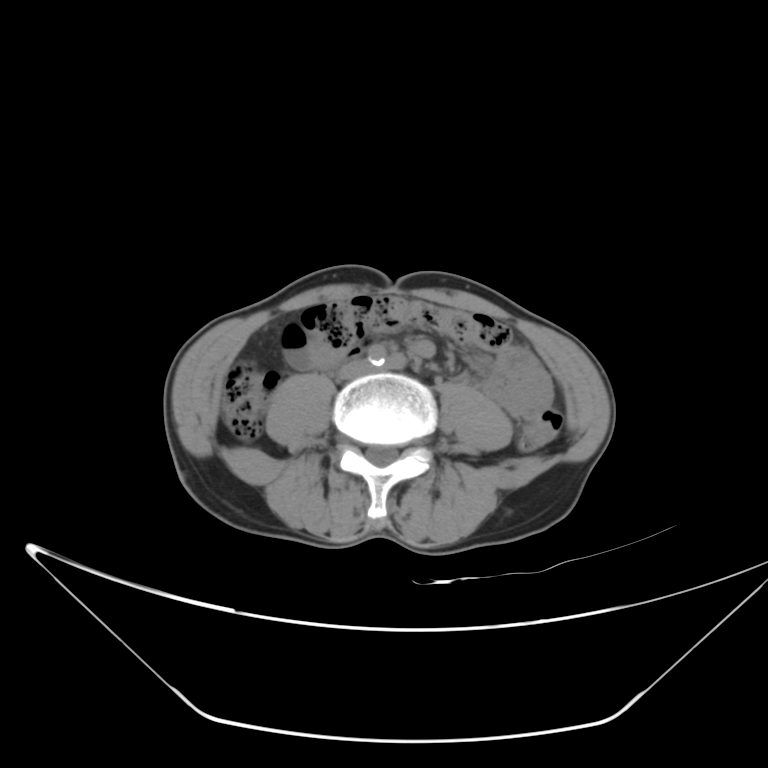 Computed tomography, abdomen · axial view · 63-year-old male patient
Bounding boxes as [x1, y1, x2, y2] in pixel coordinates.
inferior vena cava: [339, 362, 369, 378]